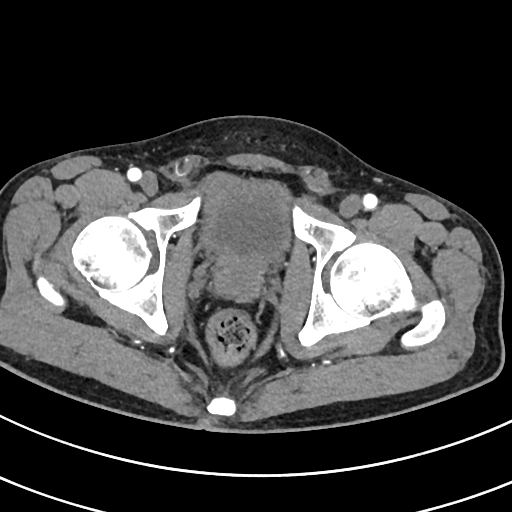

Abdominal CT — Axial slice 23/302 — soft-tissue window — 512x512 px — acquired on SOMATOM Force
<organs><organ name="bladder" x1="196" y1="172" x2="293" y2="265"/><organ name="prostate/uterus" x1="221" y1="260" x2="256" y2="278"/></organs>